Computed tomography, abdomen · axial plane, index 99 · 768x768 px · 56-year-old female patient
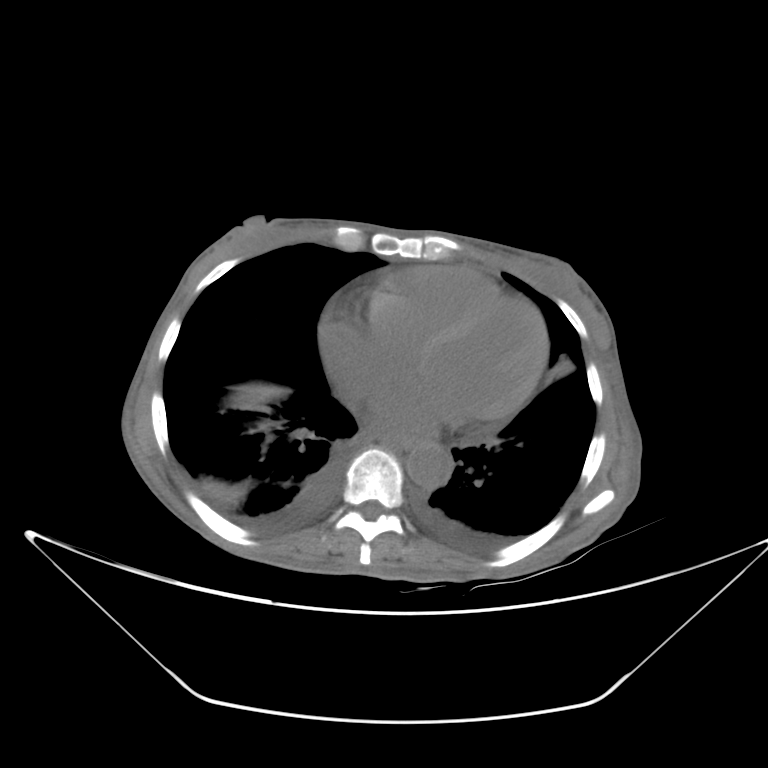

Boxes: x1:y1:x2:y2 in pixels.
Organ bounding boxes:
- aorta: 406:442:452:489
- liver: 236:387:279:409
- esophagus: 384:436:424:448